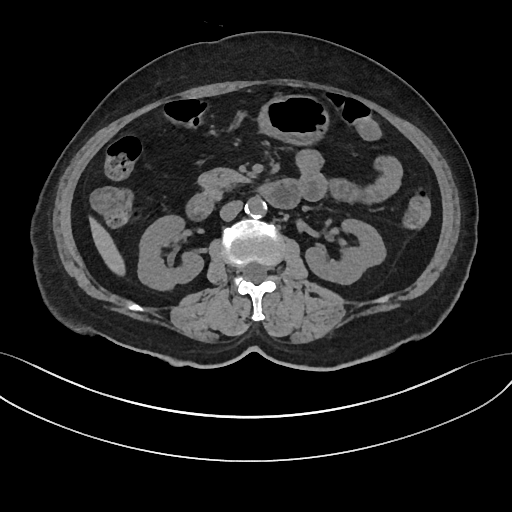 Computed tomography, abdomen. Axial slice 125/207. acquired on SOMATOM Force
Coordinates as <box>x1,y1,x2,y2</box> in pixels.
right kidney: <box>138,214,203,288</box>
left kidney: <box>306,217,386,283</box>
liver: <box>90,220,125,274</box>
stomach: <box>260,96,326,142</box>
aorta: <box>245,196,266,217</box>
inferior vena cava: <box>220,200,241,220</box>
pancreas: <box>200,167,244,190</box>
duodenum: <box>188,179,298,218</box>